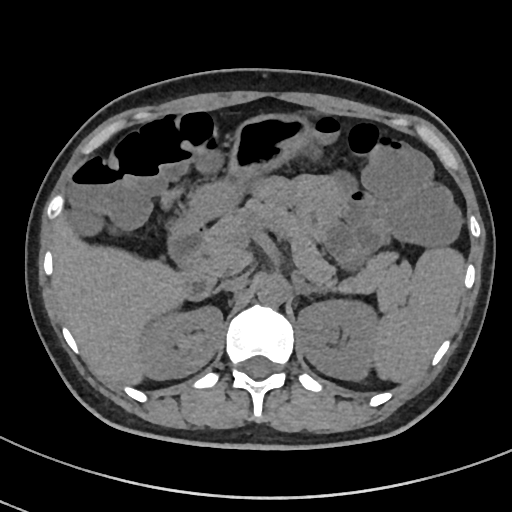
CT abdomen. Axial slice 166/218. 512x512 px
Boxes: x1 y1 x2 y2 (pixel coords, space-separated).
Organ bounding boxes:
- duodenum: 168 223 215 298
- stomach: 168 114 309 236
- inferior vena cava: 213 275 247 292
- pancreas: 208 197 412 311
- spleen: 375 247 466 383
- aorta: 256 275 288 307
- liver: 53 214 186 385
- left adrenal gland: 293 276 319 296
- left kidney: 296 300 375 379
- right kidney: 143 308 223 378